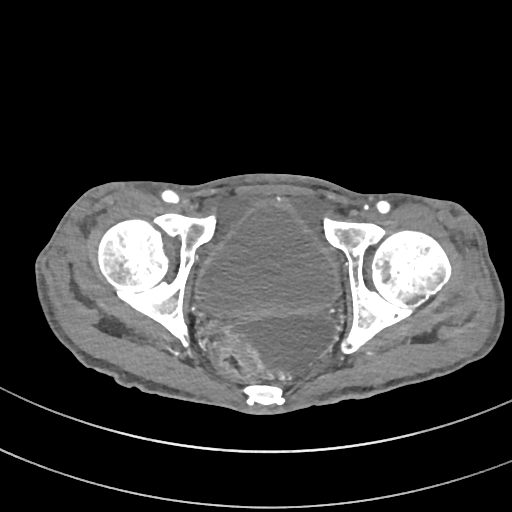
CT, abdomen/pelvis; Axial slice 19/218; soft-tissue window (W 400 / L 40); 512x512 px
Coordinates as <box>x1,y1,x2,y2</box> in pixels.
bladder: <box>196,201,338,316</box>